Abdominal CT — axial plane, index 85 — W/L 400/40 HU — SOMATOM Force scanner
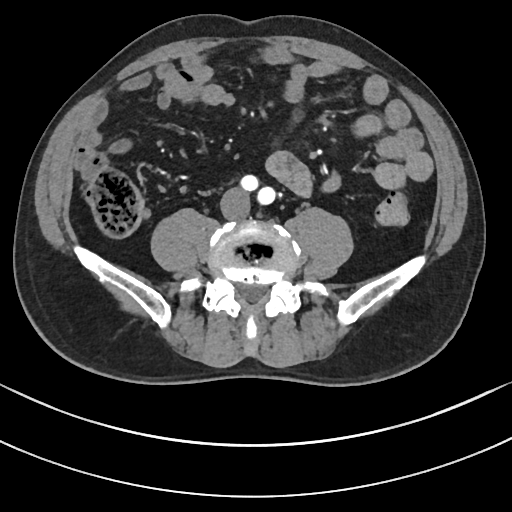

Boxes: x1:y1:x2:y2 in pixels. The annotated organs in this slice are: inferior vena cava at 222:188:250:218.